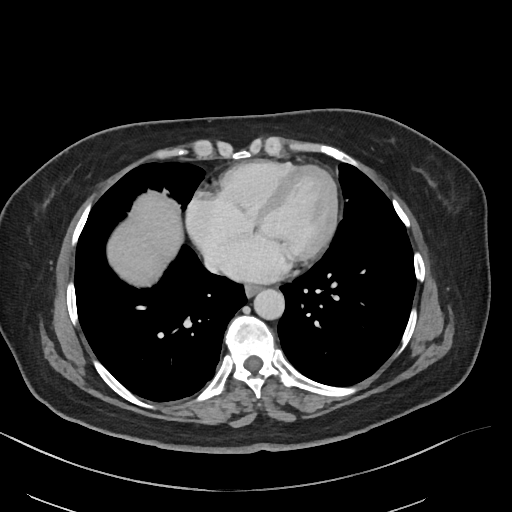 CT, abdomen/pelvis. Axial slice 226/244. 512x512 px
Bounding boxes in pixels, one row per box: x1, y1 is the top-left corner and x2, y2 the bottom-right.
| organ | x1 | y1 | x2 | y2 |
|---|---|---|---|---|
| esophagus | 245 | 284 | 261 | 296 |
| liver | 107 | 191 | 182 | 286 |
| aorta | 253 | 289 | 284 | 319 |
| inferior vena cava | 205 | 256 | 216 | 269 |